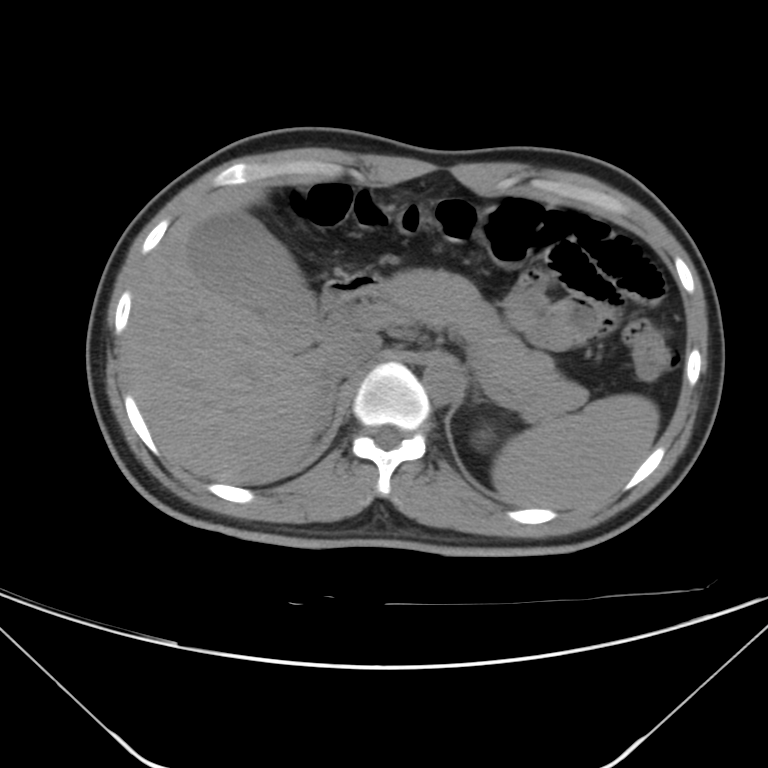
Abdominal CT. axial view. W/L 400/40 HU. Brilliance16 scanner
<organs><organ name="spleen" x1="491" y1="394" x2="658" y2="507"/><organ name="gall bladder" x1="189" y1="212" x2="316" y2="350"/><organ name="liver" x1="122" y1="185" x2="333" y2="484"/><organ name="aorta" x1="423" y1="358" x2="463" y2="403"/><organ name="inferior vena cava" x1="324" y1="332" x2="380" y2="383"/><organ name="pancreas" x1="381" y1="268" x2="586" y2="414"/><organ name="right adrenal gland" x1="314" y1="387" x2="336" y2="431"/><organ name="duodenum" x1="321" y1="272" x2="385" y2="315"/></organs>